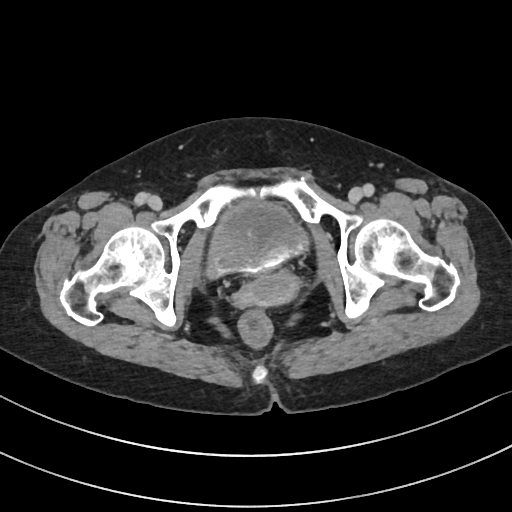 CT, abdomen/pelvis · axial plane, index 24 · soft-tissue window (W 400 / L 40)
<organs><organ name="bladder" x1="205" y1="201" x2="308" y2="277"/><organ name="prostate/uterus" x1="239" y1="271" x2="296" y2="305"/></organs>